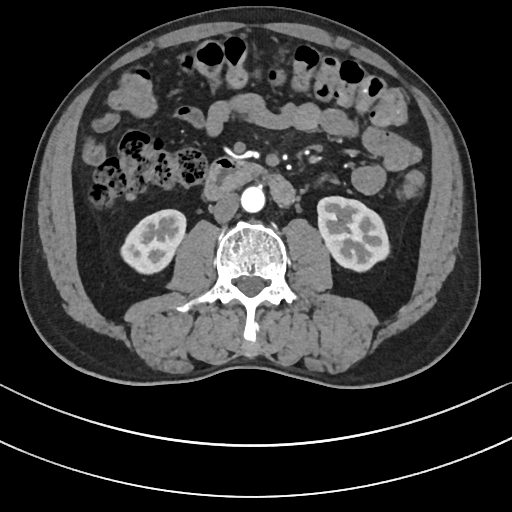
Abdominal CT. Axial slice 110/280. abdomen soft-tissue window. acquired on SOMATOM Force
Boxes: x1 y1 x2 y2 (pixel coords, space-separated).
left kidney: 318 196 388 271
duodenum: 206 157 293 205
right kidney: 120 210 185 273
aorta: 241 185 265 211
pancreas: 246 163 268 176
inferior vena cava: 213 192 239 222